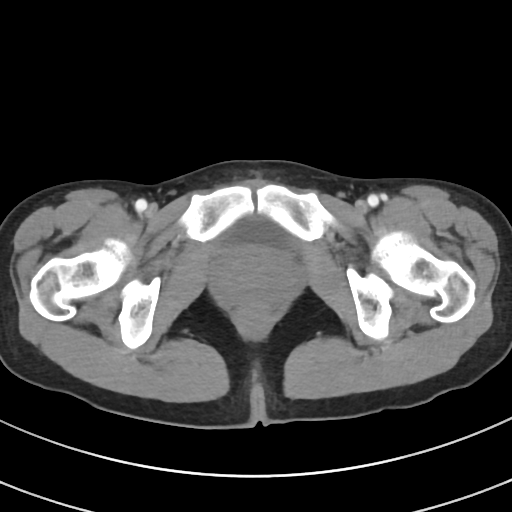
CT, abdomen/pelvis. axial view. 512x512 px. 15 organs annotated in this scan (that count is for the whole scan; organs this slice misses have no box)
One row per box, in pixels: columns x1 and y1 give the top-left corner, x2 and y2 the bottom-right.
| organ | x1 | y1 | x2 | y2 |
|---|---|---|---|---|
| bladder | 220 | 215 | 292 | 248 |